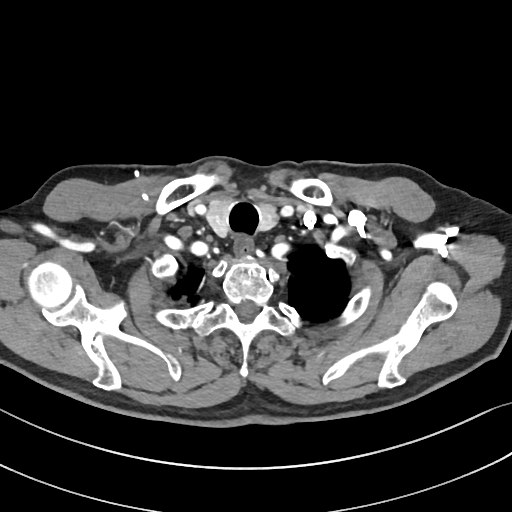
CT of the abdomen extending into the chest, slice through the chest · axial view
At this level of the chest this dataset labels only the esophagus and the aorta, and each is boxed only where it is labeled; the heart and lungs are never labeled.
Box edges are left/top/right/bottom in pixels.
Organ bounding boxes:
- esophagus: left=235, top=237, right=253, bottom=257